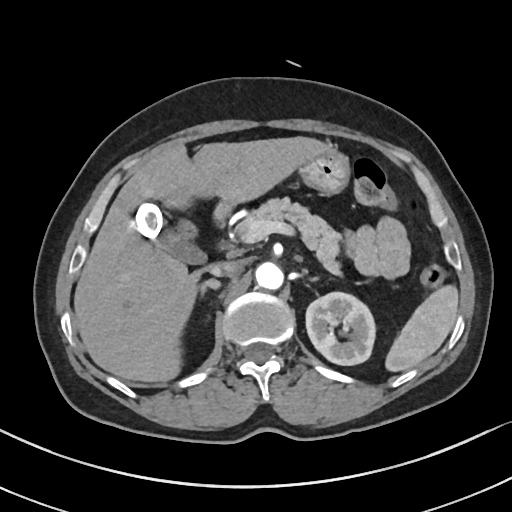 CT abdomen. axial plane, index 155
Bounding boxes as [x1, y1, x2, y2] in pixel coordinates.
Organ bounding boxes:
- right adrenal gland: [200, 280, 220, 297]
- pancreas: [250, 197, 341, 275]
- inferior vena cava: [210, 261, 242, 276]
- duodenum: [214, 202, 231, 223]
- gall bladder: [136, 201, 206, 264]
- spleen: [385, 285, 458, 372]
- left adrenal gland: [311, 277, 317, 280]
- left kidney: [306, 292, 375, 365]
- aorta: [255, 262, 283, 290]
- stomach: [300, 149, 350, 194]
- liver: [74, 137, 331, 382]